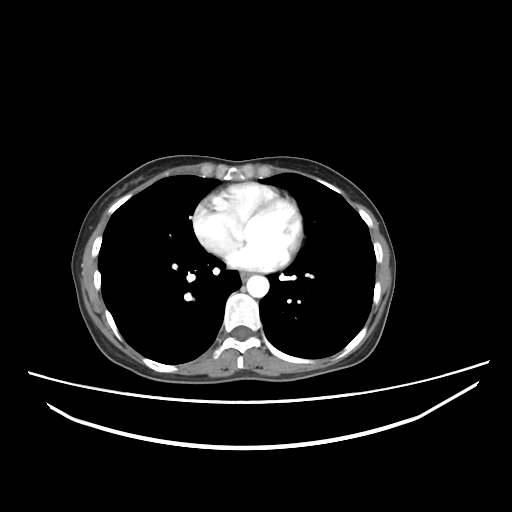 CT of the abdomen extending into the chest, slice through the chest — axial view — W/L 400/40 HU — 512x512 px — Aquilion ONE scanner — 15 organs annotated in this scan (counted over the whole 3D scan, not this slice; an organ is boxed only where this slice passes through it)
At this level of the chest no structure but the esophagus and the aorta has a label in this dataset, and those two are boxed only where they are labeled.
<organs><organ name="esophagus" x1="240" y1="272" x2="251" y2="280"/><organ name="aorta" x1="246" y1="275" x2="269" y2="297"/></organs>